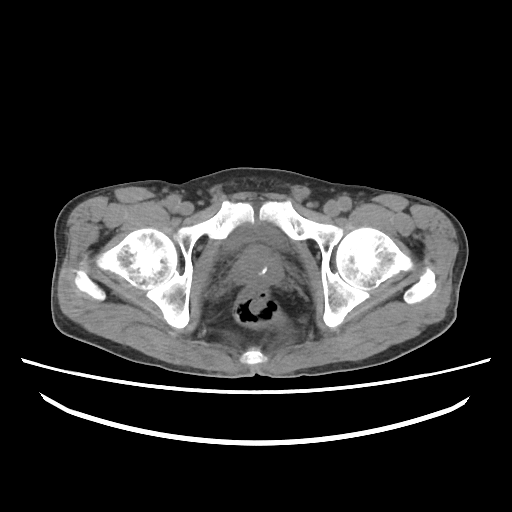
Computed tomography, abdomen; Axial slice 19/90; abdomen soft-tissue window
Coordinates as <box>x1,y1,x2,y2</box> in pixels.
Organ bounding boxes:
- bladder: <box>225,224,289,253</box>
- prostate/uterus: <box>234,244,283,287</box>